Abdominal MRI — axial view — 576x468 px
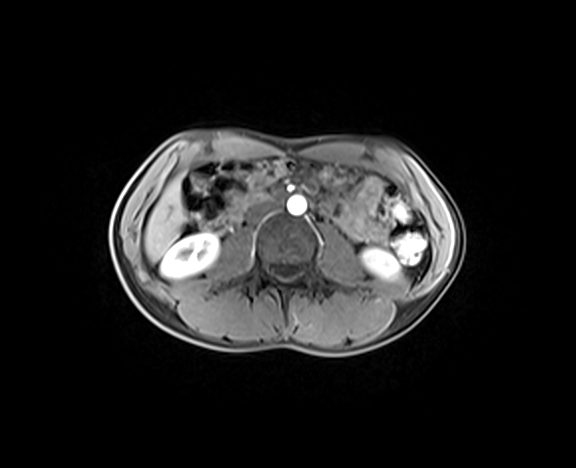
{"organs":{"right kidney":[161,234,218,278],"left kidney":[362,249,398,277],"liver":[145,180,185,261],"aorta":[287,196,306,215],"inferior vena cava":[245,198,280,221],"duodenum":[232,191,287,217]}}